Abdominal CT · axial view
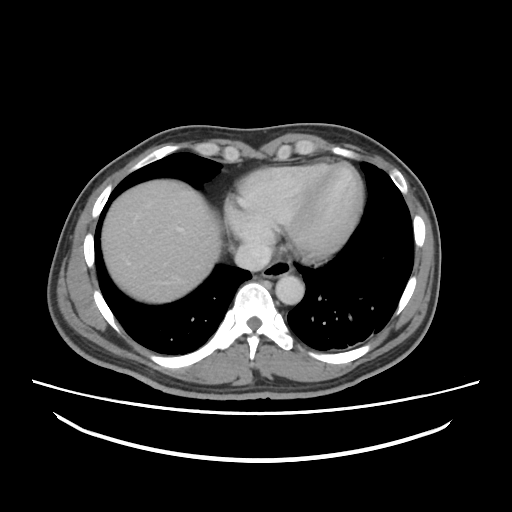

{"organs":{"esophagus":[262,260,292,278],"liver":[101,179,222,303],"aorta":[275,275,304,304],"inferior vena cava":[234,242,272,271]}}